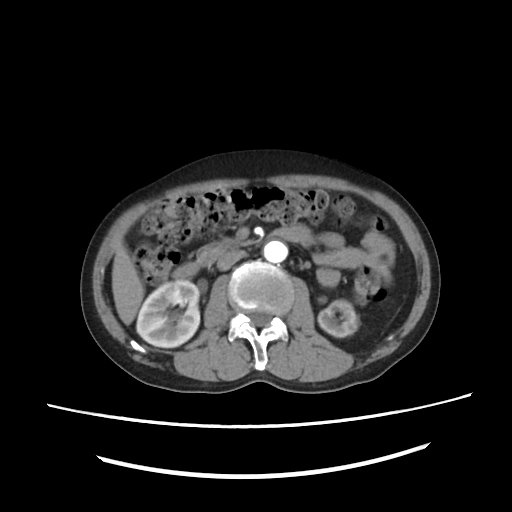 Computed tomography, abdomen — axial view — soft-tissue window (W 400 / L 40) — scan has 15 labeled organs (that count is for the whole scan; organs this slice misses have no box)
{"organs":{"duodenum":[171,226,309,279],"liver":[111,244,142,323],"left kidney":[318,298,357,337],"aorta":[264,240,286,262],"inferior vena cava":[216,250,248,270],"right kidney":[136,280,200,347],"pancreas":[196,236,242,264]}}